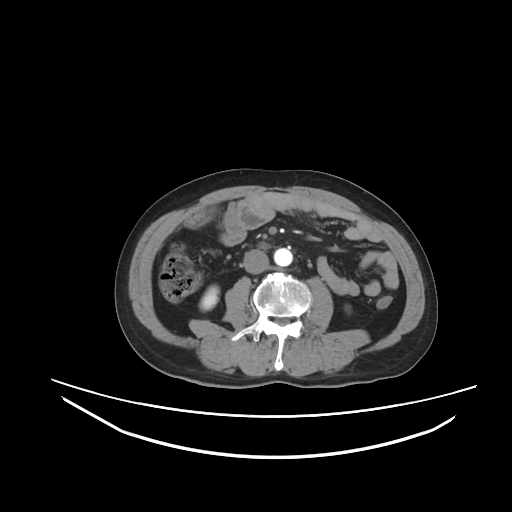 CT, abdomen/pelvis; axial view; abdomen soft-tissue window
Box edges are left/top/right/bottom in pixels. The annotated organs in this slice are: right kidney at left=199, top=285, right=218, bottom=310, aorta at left=274, top=248, right=292, bottom=266, inferior vena cava at left=243, top=249, right=269, bottom=274.